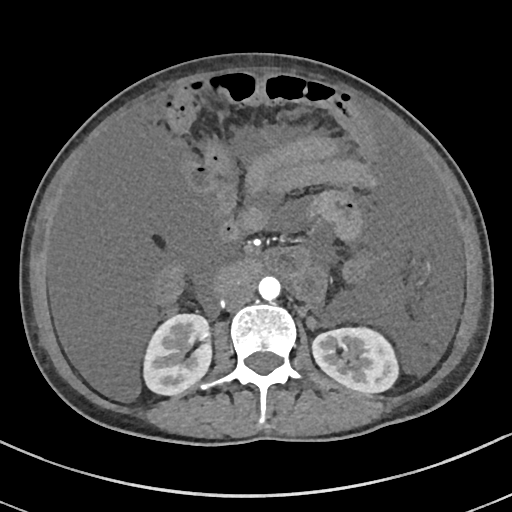

Computed tomography, abdomen — axial view — soft-tissue window (W 400 / L 40) — SOMATOM Force scanner — scan has 15 labeled organs (that count is for the whole scan; organs this slice misses have no box)
Organ boxes in pixel coordinates; each row gives the top-left (x1, y1) and bottom-right (x2, y2) corners.
| organ | x1 | y1 | x2 | y2 |
|---|---|---|---|---|
| right kidney | 145 | 314 | 212 | 394 |
| left kidney | 312 | 328 | 396 | 392 |
| aorta | 258 | 275 | 280 | 298 |
| inferior vena cava | 225 | 282 | 253 | 308 |
| duodenum | 221 | 262 | 259 | 285 |